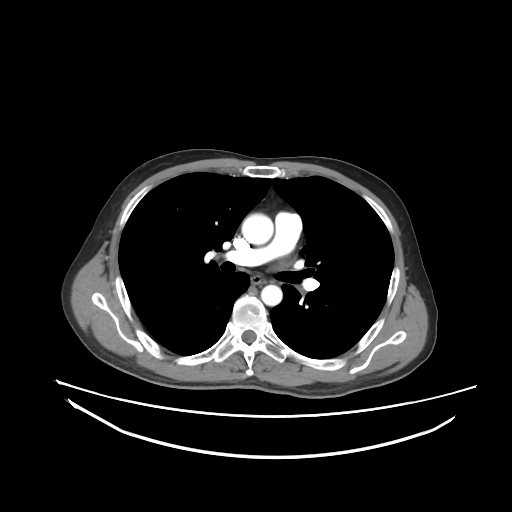 Chest-level CT slice, above the liver and spleen. axial view. soft-tissue window, W/L 400/40
At this level of the chest this dataset labels only the esophagus and the aorta, and each is boxed only where it is labeled; the heart and lungs are never labeled.
Boxes: x1:y1:x2:y2 in pixels.
esophagus: 252:276:263:283
aorta: 241:213:273:244
aorta: 261:285:282:305